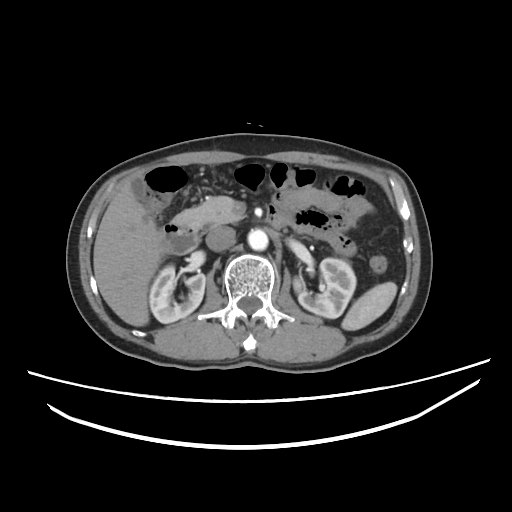

CT, abdomen/pelvis; axial view
Box edges are left/top/right/bottom in pixels.
Organ bounding boxes:
- liver: left=93, top=180, right=163, bottom=326
- left kidney: left=293, top=258, right=356, bottom=318
- pancreas: left=175, top=196, right=245, bottom=225
- spleen: left=341, top=282, right=397, bottom=330
- duodenum: left=159, top=215, right=282, bottom=254
- right kidney: left=149, top=264, right=205, bottom=323
- inferior vena cava: left=205, top=226, right=235, bottom=251
- gall bladder: left=131, top=176, right=145, bottom=202
- aorta: left=247, top=229, right=268, bottom=250